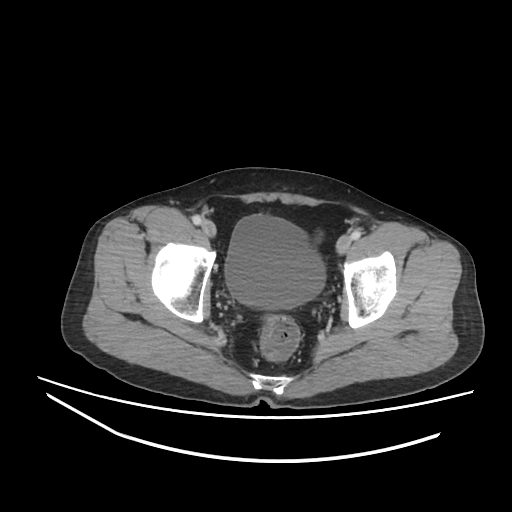 CT abdomen; axial view; W/L 400/40 HU; 54-year-old male patient; 15 organs annotated in this scan (that count is for the whole scan; organs this slice misses have no box)
Boxes: x1:y1:x2:y2 in pixels. The annotated organs in this slice are: bladder at 225:214:325:308.